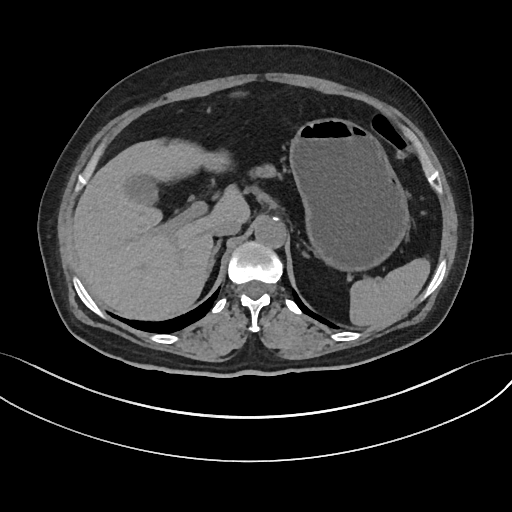
Abdominal CT — axial view — abdomen soft-tissue window
{"organs":{"spleen":[349,258,430,326],"gall bladder":[124,174,158,205],"liver":[73,138,249,320],"stomach":[289,118,409,271],"aorta":[254,218,285,247],"inferior vena cava":[211,218,240,236],"pancreas":[253,164,279,177],"right adrenal gland":[208,239,221,273],"left adrenal gland":[303,252,307,256]}}